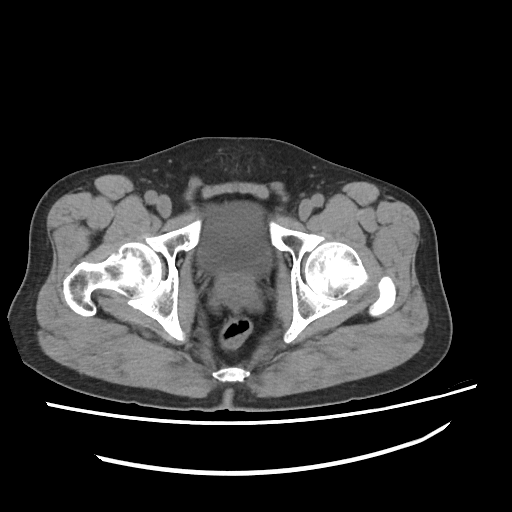 Computed tomography, abdomen — axial plane, index 14 — soft-tissue window — Aquilion ONE scanner
Boxes: x1 y1 x2 y2 (pixel coords, space-separated). The annotated organs in this slice are: bladder at 198 200 271 276, prostate/uterus at 216 274 255 296.